Abdominal CT reaching into the chest; this slice is in the chest; axial view; W/L 400/40 HU
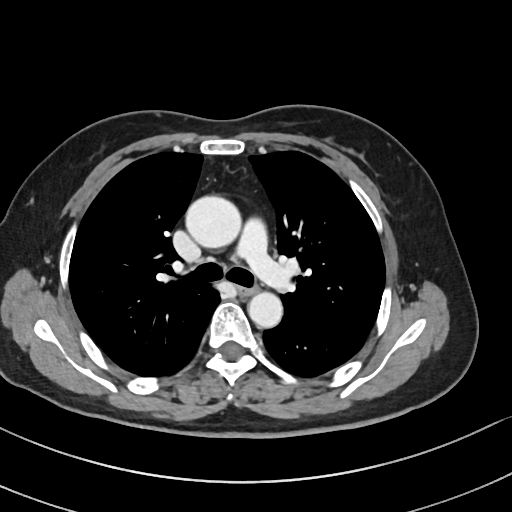 At this level of the chest this dataset labels only the esophagus and the aorta, and each is boxed only where it is labeled; the heart and lungs are never labeled.
Organ boxes in pixel coordinates; each row gives the top-left (x1, y1) and bottom-right (x2, y2) corners.
| organ | x1 | y1 | x2 | y2 |
|---|---|---|---|---|
| esophagus | 238 | 283 | 256 | 295 |
| aorta | 186 | 196 | 242 | 248 |
| aorta | 247 | 290 | 282 | 327 |